CT, abdomen/pelvis. axial plane, index 58. soft-tissue window. 768x768 px. 15 organs annotated in this scan (that count is for the whole scan; organs this slice misses have no box)
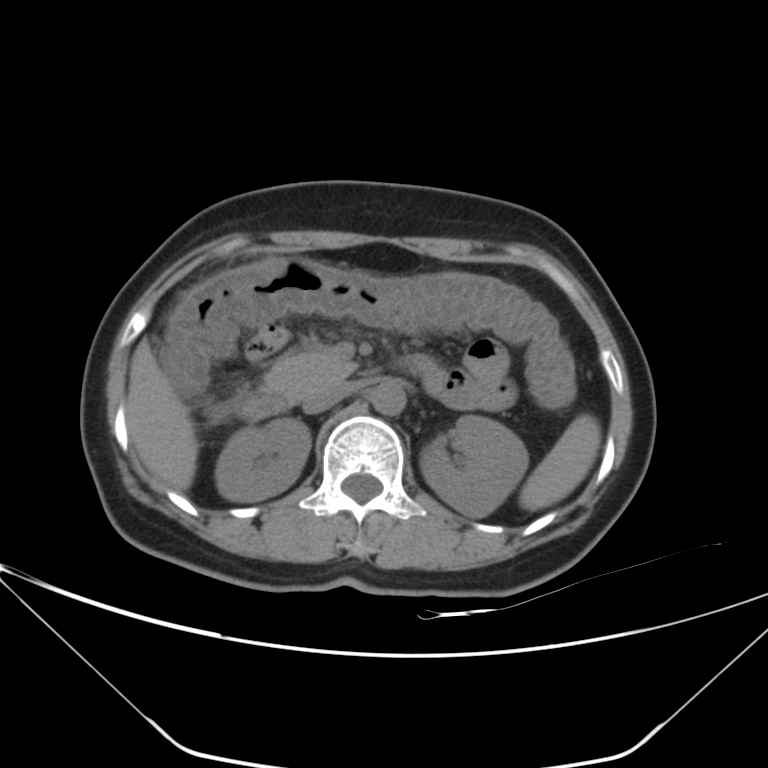

Boxes are (x1, y1, x2, y2) in pixels.
Organ bounding boxes:
- spleen: (519, 414, 600, 510)
- right kidney: (214, 419, 311, 501)
- left kidney: (420, 415, 528, 517)
- liver: (127, 338, 197, 490)
- aorta: (371, 381, 405, 414)
- inferior vena cava: (304, 382, 353, 413)
- pancreas: (264, 346, 356, 400)
- duodenum: (233, 354, 438, 419)